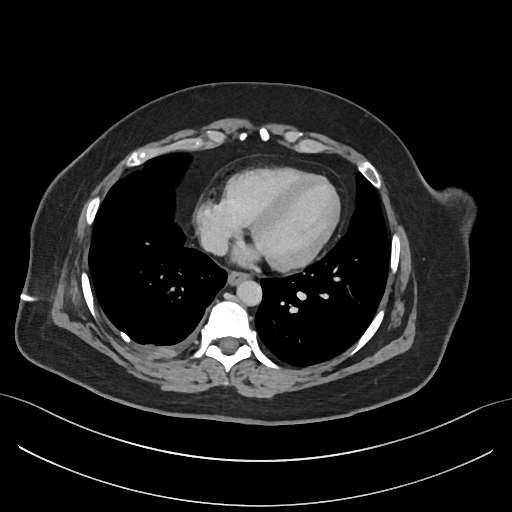

CT of the abdomen reaching into the lower chest, slice just above the liver and spleen. axial view. soft-tissue window (W 400 / L 40). 512x512 px
No part of the heart or lungs is labeled in this dataset, so neither has a box here.
Boxes: x1 y1 x2 y2 (pixel coords, space-separated).
aorta: 236 280 261 304
esophagus: 228 270 249 284
inferior vena cava: 201 230 227 255